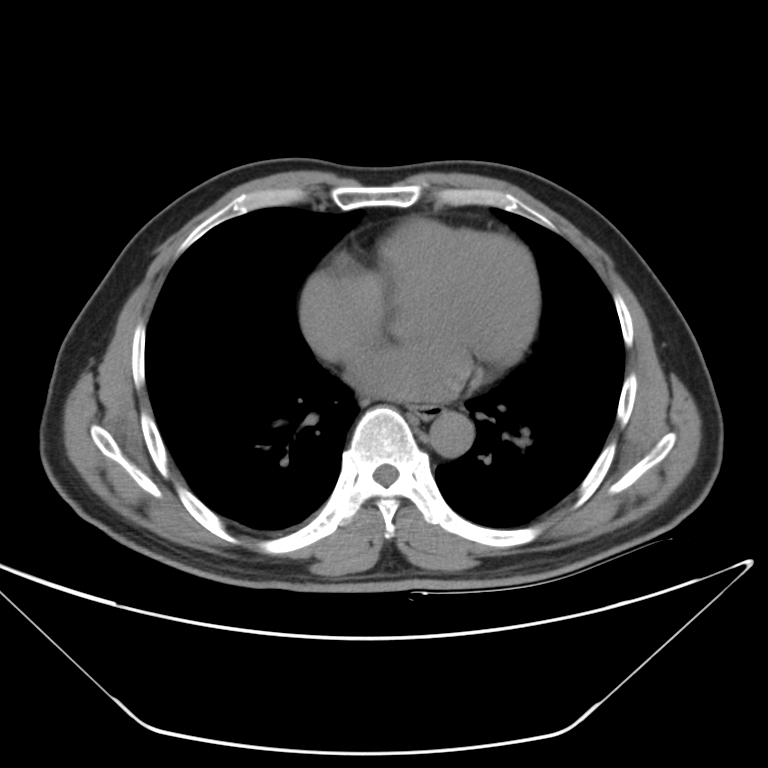
Lower-chest slice from an abdominal CT, just above the liver and spleen; axial plane, index 107; soft-tissue window (W 400 / L 40); 45-year-old male patient; 15 organs annotated in this scan (counted over the whole 3D scan, not this slice; an organ is boxed only where this slice passes through it)
Of the structures in the chest, this dataset labels only the esophagus, the aorta and the inferior vena cava; the heart and lungs have no label.
Box edges are left/top/right/bottom in pixels.
aorta: left=431, top=411, right=473, bottom=454
esophagus: left=412, top=405, right=444, bottom=419